Computed tomography, abdomen. axial plane, index 137. 512x512 px
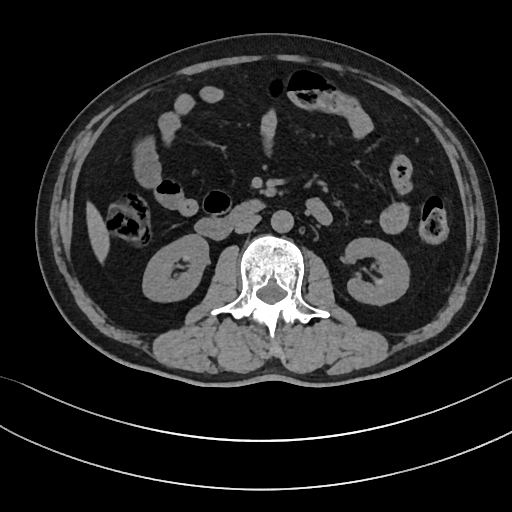

Organ boxes in pixel coordinates; each row gives the top-left (x1, y1) and bottom-right (x2, y2) corners.
| organ | x1 | y1 | x2 | y2 |
|---|---|---|---|---|
| right kidney | 143 | 235 | 208 | 300 |
| left kidney | 340 | 237 | 408 | 304 |
| liver | 87 | 206 | 108 | 258 |
| aorta | 270 | 209 | 293 | 232 |
| inferior vena cava | 235 | 214 | 260 | 233 |
| duodenum | 195 | 201 | 260 | 239 |